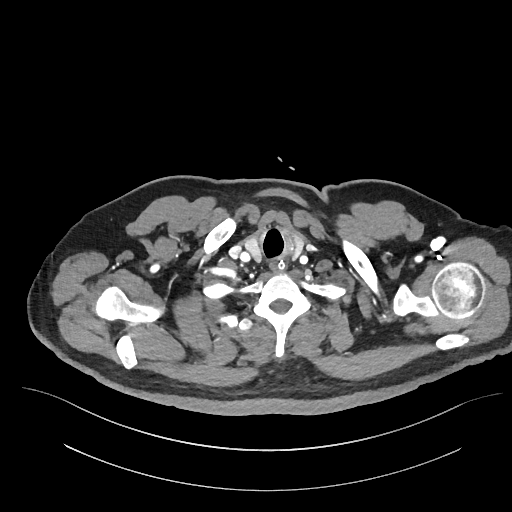

Abdominal CT reaching into the chest; this slice is in the chest · axial plane, index 323 · W/L 400/40 HU · 512x512 px
At this level of the chest this dataset labels only the esophagus and the aorta, and each is boxed only where it is labeled; the heart and lungs are never labeled.
<organs><organ name="esophagus" x1="270" y1="259" x2="284" y2="271"/></organs>